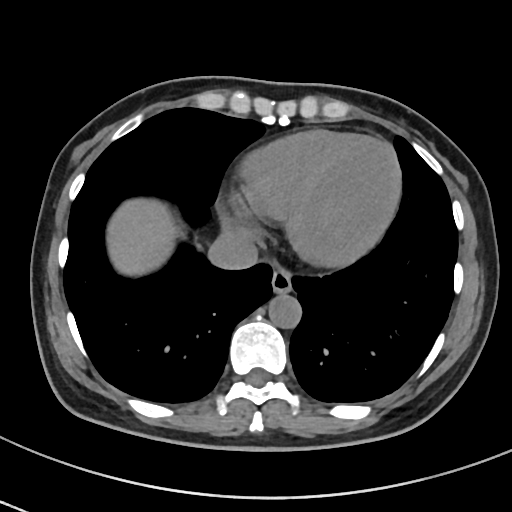 CT abdomen — axial view — W/L 400/40 HU — 512x512 px — acquired on SOMATOM Force
Boxes: x1:y1:x2:y2 in pixels.
esophagus: 270:269:292:295
liver: 108:201:174:275
aorta: 269:295:302:329
inferior vena cava: 209:230:258:268